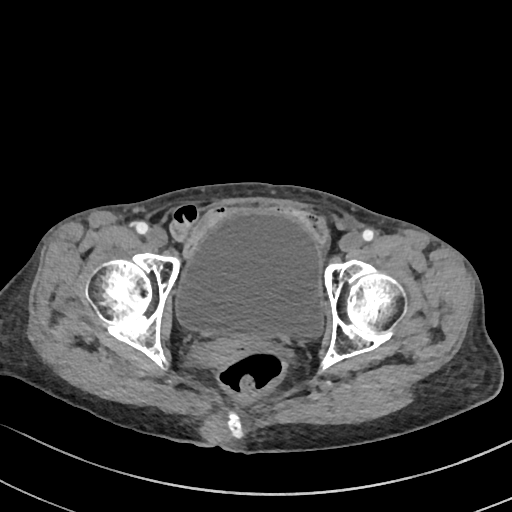
Abdominal CT; axial view; 512x512 px
One row per box, in pixels: columns x1 and y1 give the top-left corner, x2 and y2 the bottom-right.
| organ | x1 | y1 | x2 | y2 |
|---|---|---|---|---|
| prostate/uterus | 198 | 335 | 256 | 368 |
| bladder | 175 | 209 | 323 | 337 |